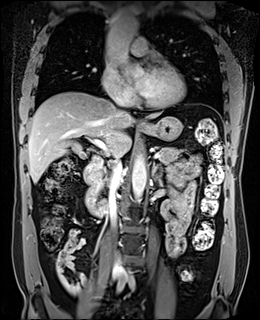
Abdominal MR; coronal plane, index 75
Boxes: x1 y1 x2 y2 (pixel coords, space-separated).
gall bladder: 72 143 87 158
esophagus: 140 122 143 124
liver: 28 91 160 182
stomach: 139 116 182 141
aorta: 106 16 144 77
aorta: 132 153 146 201
inferior vena cava: 109 153 122 228
inferior vena cava: 112 254 122 274
pancreas: 98 147 182 192
left adrenal gland: 152 162 163 181
duodenum: 84 156 107 217